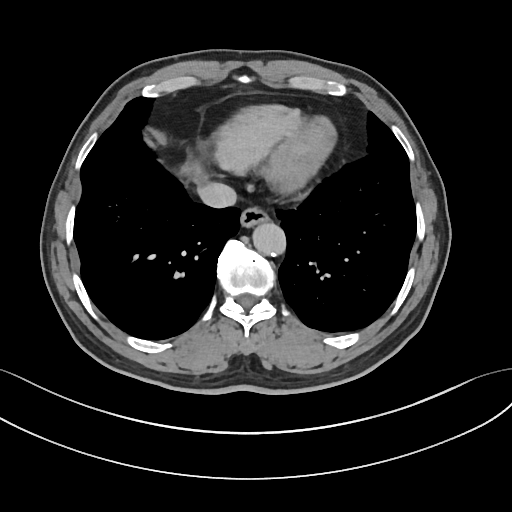 Abdominal CT — axial view
<organs><organ name="liver" x1="182" y1="162" x2="205" y2="177"/><organ name="inferior vena cava" x1="198" y1="182" x2="236" y2="208"/><organ name="aorta" x1="253" y1="223" x2="287" y2="256"/><organ name="esophagus" x1="239" y1="208" x2="268" y2="228"/></organs>